Abdominal MR · coronal acquisition · acquired on Prisma
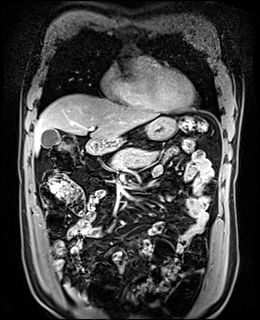 {"organs":{"gall bladder":[41,129,60,148],"liver":[34,94,159,152],"stomach":[112,117,177,142],"aorta":[118,59,136,71],"pancreas":[109,147,158,170],"duodenum":[85,138,122,154]}}